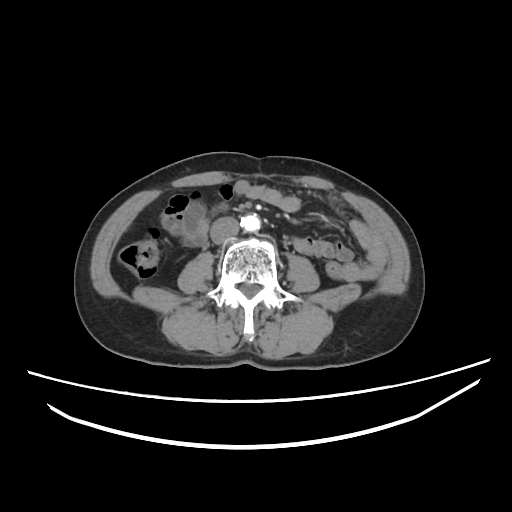
CT, abdomen/pelvis — Axial slice 21/109 — 63-year-old male patient — 13 organs annotated in this scan (that count is for the whole scan; organs this slice misses have no box)
<organs><organ name="aorta" x1="241" y1="213" x2="260" y2="231"/><organ name="inferior vena cava" x1="210" y1="217" x2="239" y2="243"/></organs>